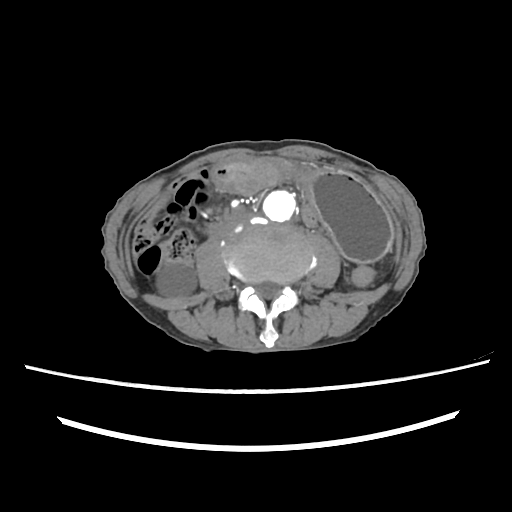

Computed tomography, abdomen; axial view; soft-tissue window; 512x512 px; 15 organs annotated in this scan (a whole-scan count: organs this slice does not pass through have no box)
{"organs":{"inferior vena cava":[217,221,246,237],"aorta":[263,188,298,223],"stomach":[211,155,393,263],"duodenum":[207,212,250,234],"right kidney":[156,260,196,296]}}